CT abdomen. Axial slice 86/191. 512x512 px
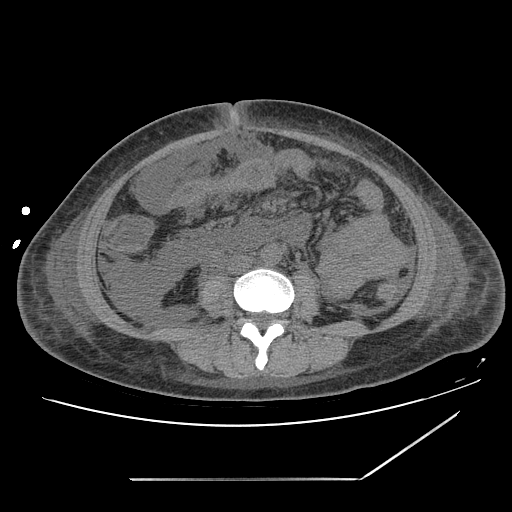
Box edges are left/top/right/bottom in pixels. 2 labeled organs on this slice — aorta at left=259, top=245, right=281, bottom=265; inferior vena cava at left=228, top=255, right=253, bottom=273.